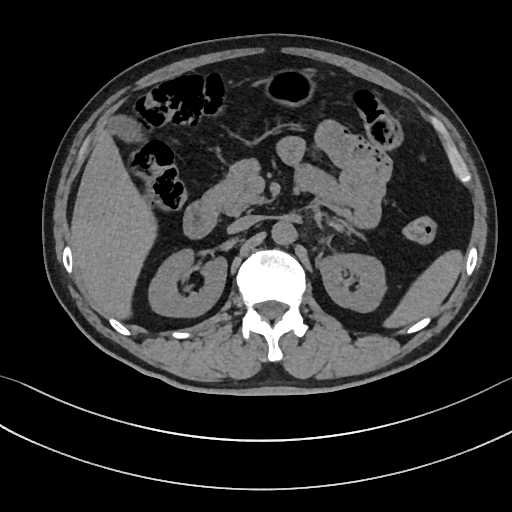
CT abdomen · axial view · scan has 15 labeled organs (counted over the whole 3D scan, not this slice; an organ is boxed only where this slice passes through it)
Boxes are (x1, y1, x2, y2) in pixels. 10 labeled organs on this slice — spleen at (384, 250, 463, 327); right kidney at (148, 248, 226, 316); left kidney at (318, 253, 386, 312); gall bladder at (109, 116, 142, 141); liver at (71, 129, 157, 319); stomach at (263, 68, 316, 107); aorta at (271, 220, 296, 245); inferior vena cava at (227, 215, 259, 233); pancreas at (202, 159, 265, 215); duodenum at (183, 201, 217, 238).